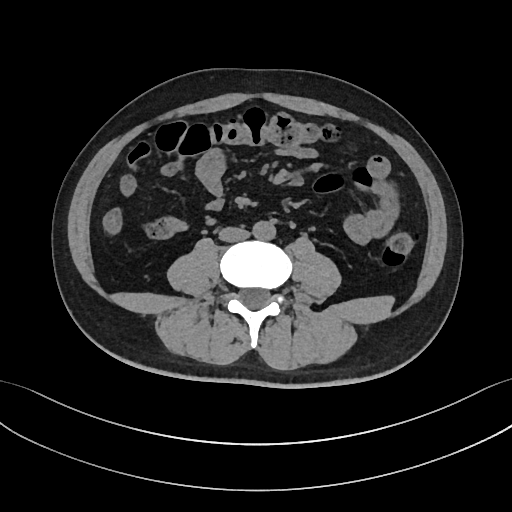

CT, abdomen/pelvis. axial view. 512x512 px
Each box given as x1,y1,x2,y2.
Organ bounding boxes:
- aorta: x1=252, y1=221, x2=275, y2=240
- inferior vena cava: x1=219, y1=227, x2=249, y2=242